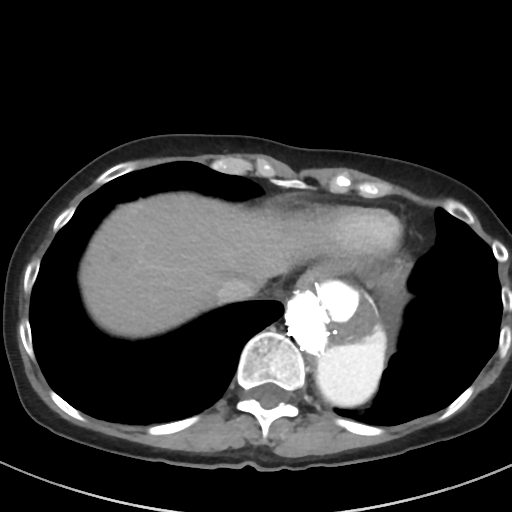
Abdominal CT. axial view. abdomen soft-tissue window
One row per box, in pixels: columns x1 and y1 give the top-left corner, x2 and y2 the bottom-right.
| organ | x1 | y1 | x2 | y2 |
|---|---|---|---|---|
| esophagus | 297 | 261 | 355 | 290 |
| liver | 79 | 192 | 318 | 337 |
| stomach | 382 | 274 | 398 | 286 |
| aorta | 287 | 281 | 386 | 404 |
| inferior vena cava | 216 | 277 | 260 | 303 |